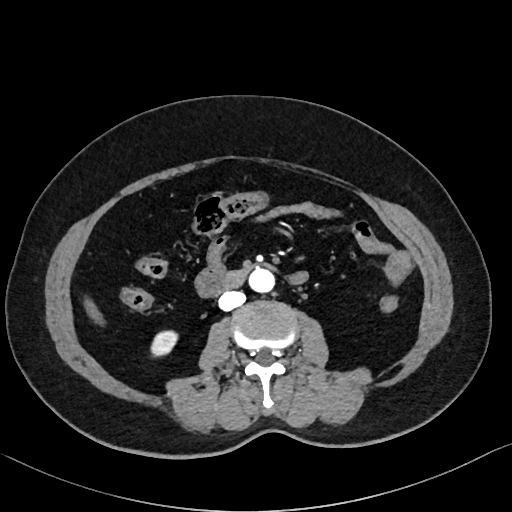

Computed tomography, abdomen; axial view; SOMATOM Force scanner
{"organs":{"duodenum":[220,262,273,287],"aorta":[248,268,274,292],"right kidney":[150,330,175,355],"inferior vena cava":[218,290,245,310],"liver":[86,300,102,322]}}